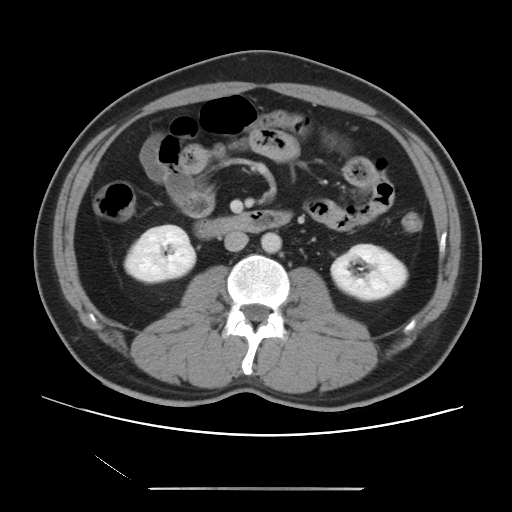 Abdominal CT. axial view. W/L 400/40 HU. 512x512 px
Boxes: x1:y1:x2:y2 in pixels. The annotated organs in this slice are: right kidney at 124:225:195:282, left kidney at 331:244:407:300, aorta at 261:232:281:253, inferior vena cava at 224:231:248:251, duodenum at 194:210:291:238.